CT, abdomen/pelvis; axial view; 512x512 px
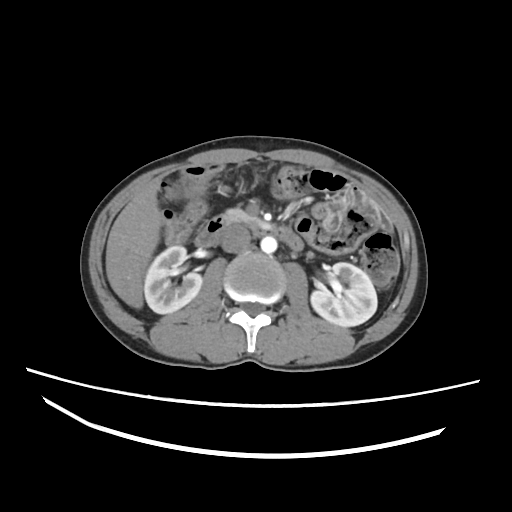 Boxes: x1 y1 x2 y2 (pixel coords, space-separated).
gall bladder: 177 177 193 191
inferior vena cava: 220 224 251 252
right kidney: 143 245 202 313
liver: 105 179 161 308
left kidney: 311 262 377 326
aorta: 260 236 277 253
pancreas: 223 208 254 222
duodenum: 195 216 303 250